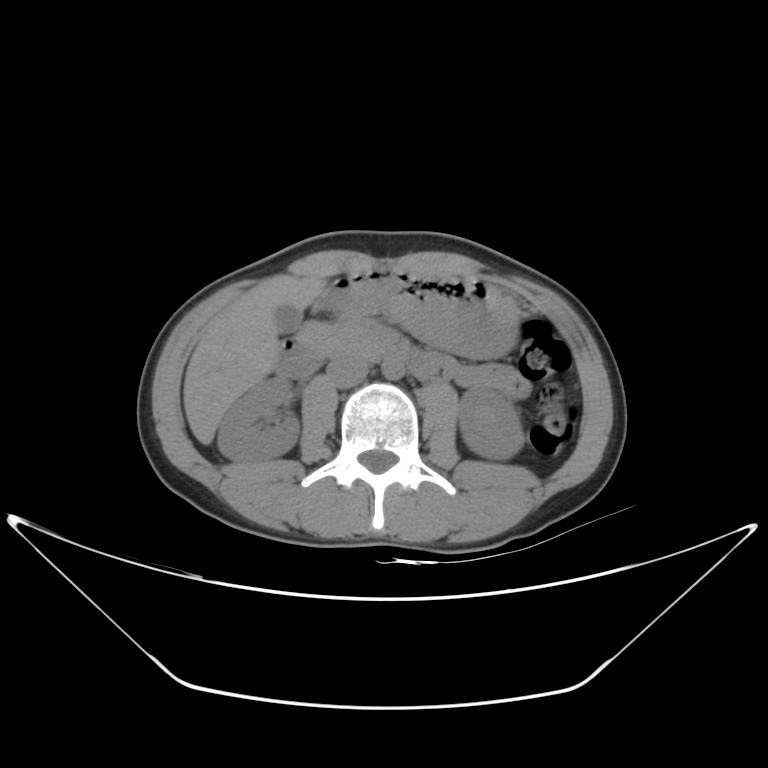 Computed tomography, abdomen · axial view · 30-year-old male patient
Boxes: x1:y1:x2:y2 in pixels.
right kidney: 217:376:299:463
stomach: 311:267:519:358
duodenum: 274:338:441:380
inferior vena cava: 326:356:369:387
left kidney: 457:388:524:459
aorta: 381:357:406:380
pancreas: 295:321:383:355
liver: 183:276:328:443
gall bladder: 273:305:301:334